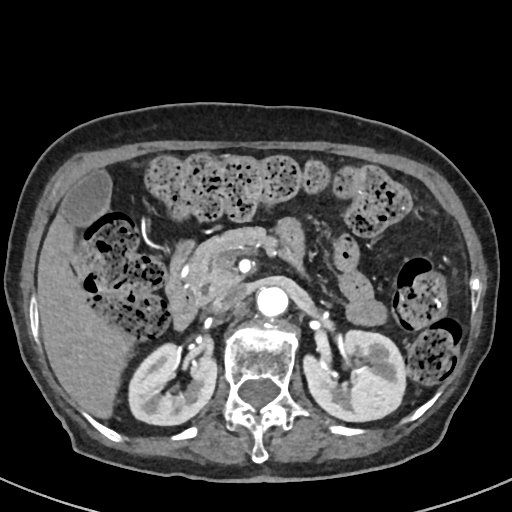 Abdominal CT · Axial slice 143/279 · 512x512 px · acquired on SOMATOM Force · scan has 15 labeled organs (a whole-scan count: organs this slice does not pass through have no box)
Boxes: x1 y1 x2 y2 (pixel coords, space-separated).
Organ bounding boxes:
- inferior vena cava: 211 285 244 313
- pancreas: 187 227 279 300
- right kidney: 129 345 217 425
- aorta: 256 288 287 318
- gall bladder: 62 169 111 227
- liver: 37 211 133 420
- left kidney: 302 331 404 422
- duodenum: 165 238 198 328